Chest-level CT slice, above the liver and spleen · axial view · soft-tissue window · Brilliance16 scanner
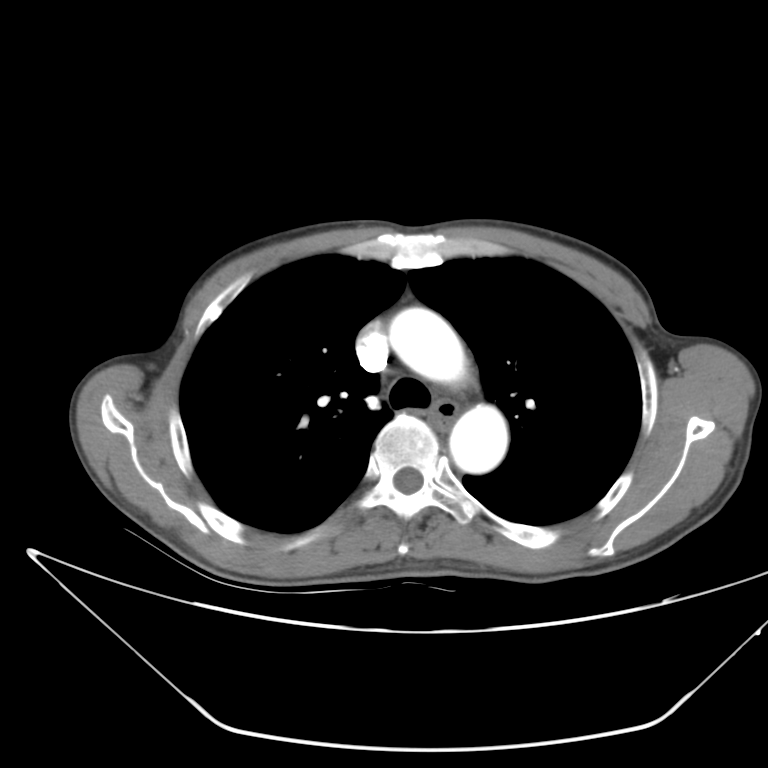 At this level of the chest this dataset labels only the esophagus and the aorta, and each is boxed only where it is labeled; the heart and lungs are never labeled. Bounding boxes as [x1, y1, x2, y2] in pixel coordinates. 2 labeled organs on this slice — esophagus at [427, 398, 456, 431]; aorta at [389, 308, 467, 384]; aorta at [449, 404, 508, 473].